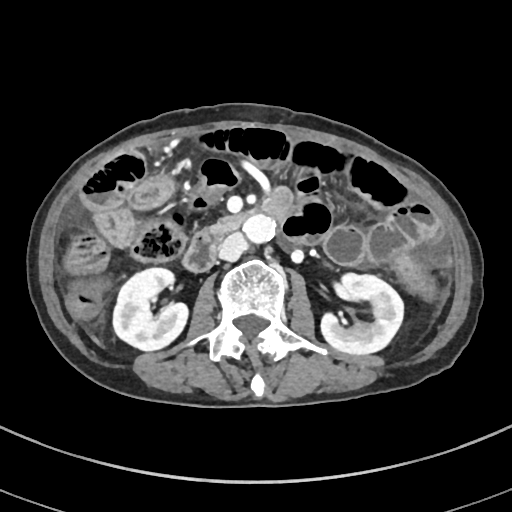
Computed tomography, abdomen · axial plane, index 110 · W/L 400/40 HU · 512x512 px · scan has 14 labeled organs (counted over the whole 3D scan, not this slice; an organ is boxed only where this slice passes through it)
Box edges are left/top/right/bottom in pixels.
right kidney: left=112, top=266, right=189, bottom=351
left kidney: left=320, top=271, right=403, bottom=355
aorta: left=242, top=215, right=276, bottom=244
inferior vena cava: left=216, top=233, right=245, bottom=260
pancreas: left=209, top=208, right=256, bottom=234
duodenum: left=180, top=186, right=292, bottom=272